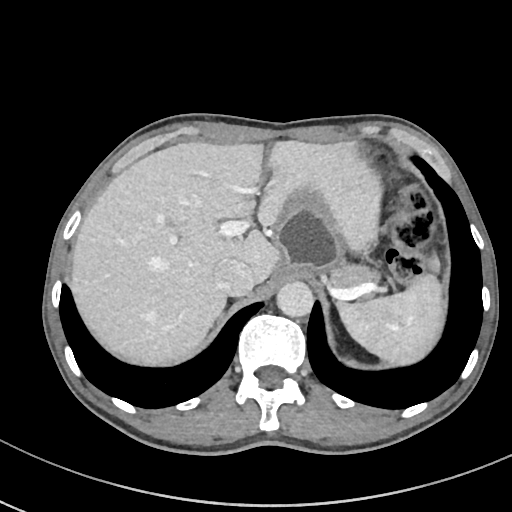
Computed tomography, abdomen. Axial slice 172/306
Bounding boxes as [x1, y1, x2, y2] in pixel coordinates. The annotated organs in this slice are: spleen at [335, 275, 443, 365], liver at [70, 140, 440, 365], stomach at [273, 188, 344, 280], aorta at [277, 281, 313, 317], inferior vena cava at [213, 258, 254, 296], pancreas at [332, 265, 379, 289].